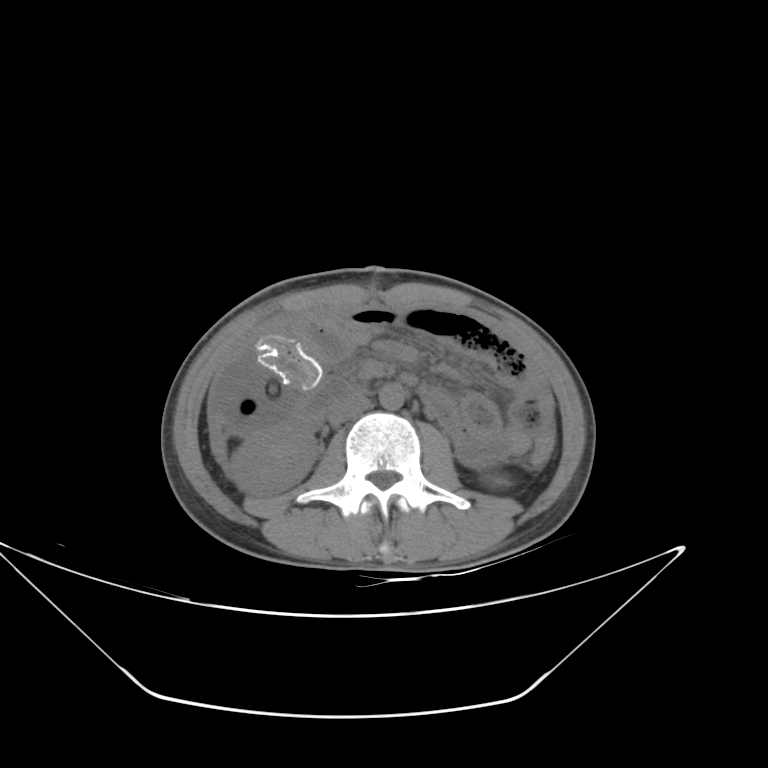

Computed tomography, abdomen; axial plane, index 57; soft-tissue window
<organs><organ name="inferior vena cava" x1="328" y1="394" x2="370" y2="425"/><organ name="aorta" x1="379" y1="385" x2="404" y2="410"/><organ name="left kidney" x1="485" y1="475" x2="507" y2="485"/><organ name="right kidney" x1="227" y1="426" x2="318" y2="496"/><organ name="duodenum" x1="296" y1="375" x2="355" y2="417"/></organs>